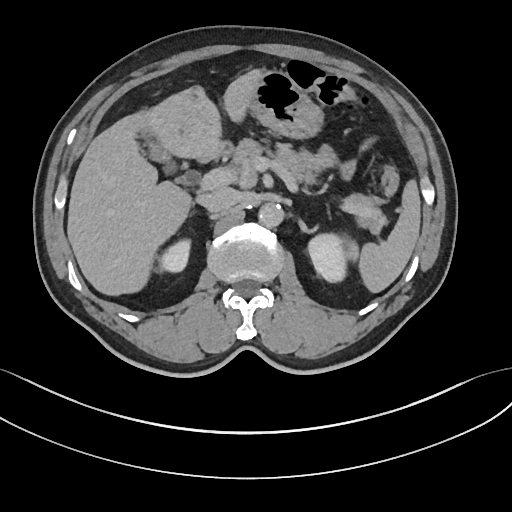
Abdominal CT · axial view · soft-tissue window · scan has 15 labeled organs (that count is for the whole scan; organs this slice misses have no box)
Organ boxes in pixel coordinates; each row gives the top-left (x1, y1) and bottom-right (x2, y2) corners.
| organ | x1 | y1 | x2 | y2 |
|---|---|---|---|---|
| spleen | 343 | 180 | 420 | 292 |
| right kidney | 157 | 238 | 190 | 272 |
| left kidney | 308 | 233 | 346 | 281 |
| gall bladder | 138 | 131 | 176 | 173 |
| liver | 67 | 69 | 263 | 295 |
| stomach | 249 | 71 | 323 | 138 |
| aorta | 258 | 203 | 283 | 227 |
| inferior vena cava | 199 | 187 | 239 | 212 |
| pancreas | 231 | 138 | 385 | 233 |
| duodenum | 218 | 140 | 231 | 154 |